Abdominal MR; coronal view; percentile-normalized
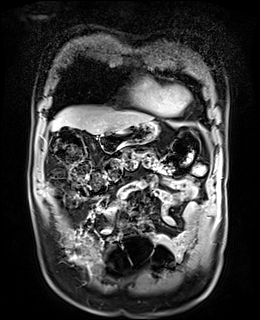

One row per box, in pixels: columns x1 and y1 give the top-left corner, x2 and y2 the bottom-right.
| organ | x1 | y1 | x2 | y2 |
|---|---|---|---|---|
| liver | 51 | 106 | 153 | 134 |
| stomach | 98 | 122 | 158 | 152 |